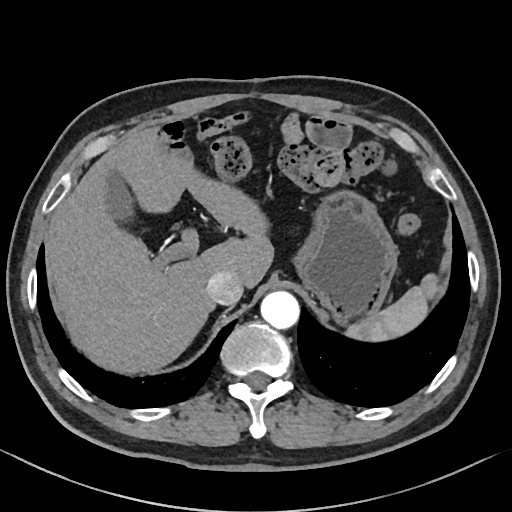

Abdominal CT. Axial slice 173/245. 512x512 px. acquired on SOMATOM Force
Bounding boxes in pixels, one row per box: x1, y1 is the top-left corner and x2, y2 the bottom-right.
| organ | x1 | y1 | x2 | y2 |
|---|---|---|---|---|
| spleen | 345 | 273 | 436 | 340 |
| gall bladder | 107 | 172 | 129 | 222 |
| liver | 45 | 126 | 274 | 371 |
| stomach | 292 | 191 | 397 | 322 |
| aorta | 260 | 291 | 299 | 329 |
| inferior vena cava | 206 | 270 | 243 | 305 |